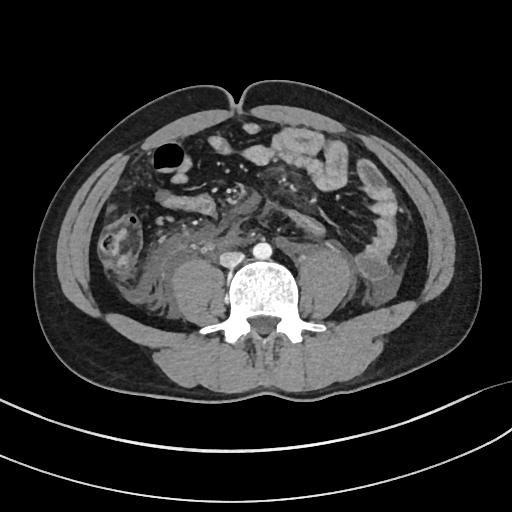
CT, abdomen/pelvis — axial plane, index 100 — abdomen soft-tissue window — 512x512 px — 15 organs annotated in this scan (a whole-scan count: organs this slice does not pass through have no box)
{"organs":{"aorta":[253,242,271,259],"inferior vena cava":[220,251,244,267]}}